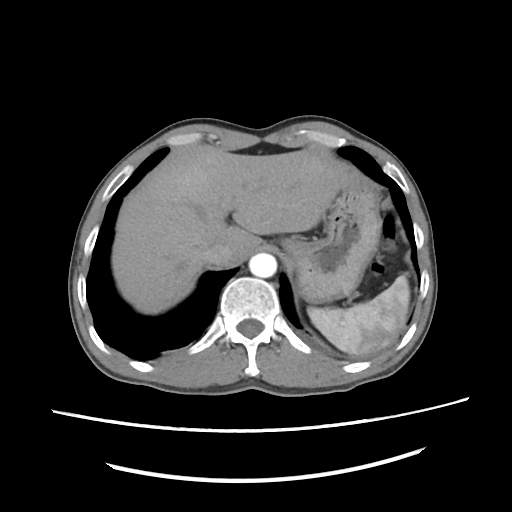

Computed tomography, abdomen; axial view; 512x512 px
{"organs":{"spleen":[308,275,409,356],"liver":[111,142,347,314],"stomach":[282,173,379,300],"aorta":[249,254,277,277],"inferior vena cava":[201,244,231,268]}}